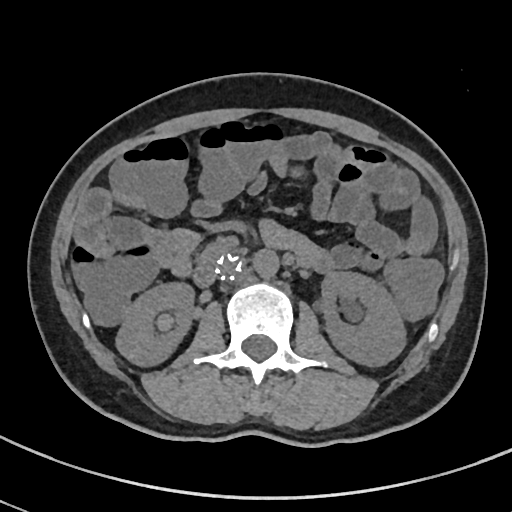 Computed tomography, abdomen; axial view; 512x512 px; 15 organs annotated in this scan (counted over the whole 3D scan, not this slice; an organ is boxed only where this slice passes through it)
{"organs":{"right kidney":[117,283,193,364],"left kidney":[320,272,404,365],"aorta":[253,248,278,275],"inferior vena cava":[216,254,246,280],"duodenum":[194,243,227,287]}}